CT, abdomen/pelvis — Axial slice 153/224
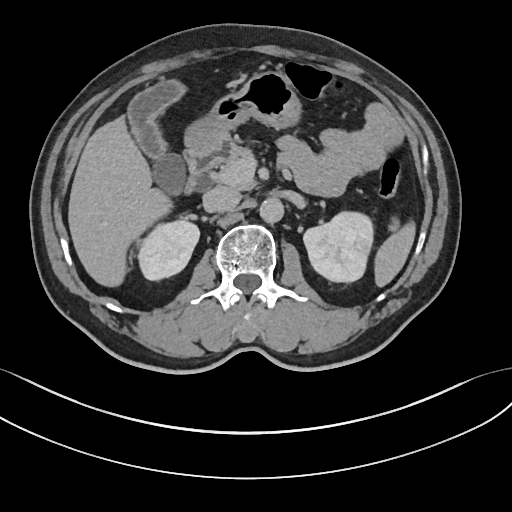
Box edges are left/top/right/bottom in pixels.
spleen: left=373, top=224, right=416, bottom=287
right kidney: left=139, top=220, right=199, bottom=280
left kidney: left=304, top=212, right=371, bottom=283
gall bladder: left=128, top=82, right=185, bottom=193
liver: left=68, top=116, right=172, bottom=288
stomach: left=182, top=71, right=302, bottom=150
aorta: left=259, top=199, right=283, bottom=224
inferior vena cava: left=202, top=187, right=240, bottom=212
pancreas: left=210, top=142, right=397, bottom=230
duodenum: left=186, top=136, right=232, bottom=189